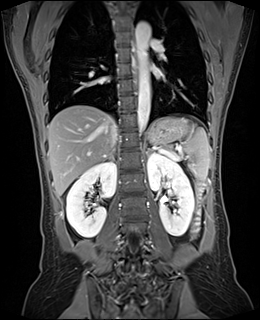

MRI, abdomen; coronal view
Boxes are (x1, y1, x2, y2) in pixels. Labeled organs on this slice: spleen at (181, 125, 209, 179), right kidney at (66, 161, 116, 237), left kidney at (147, 153, 194, 236), esophagus at (134, 53, 138, 86), liver at (48, 105, 115, 196), stomach at (148, 117, 188, 143), aorta at (135, 22, 150, 131), inferior vena cava at (110, 125, 117, 147), pancreas at (163, 142, 171, 151), right adrenal gland at (107, 152, 114, 159), left adrenal gland at (146, 148, 155, 155).